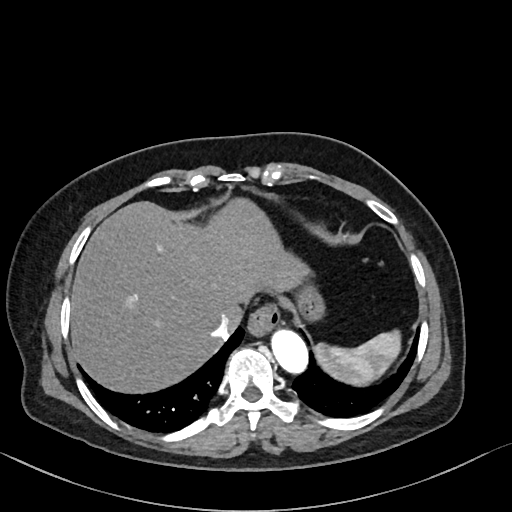
CT, abdomen/pelvis; axial plane, index 189
Boxes are (x1, y1, x2, y2) in pixels.
Organ bounding boxes:
- spleen: (315, 330, 399, 384)
- esophagus: (249, 302, 280, 333)
- liver: (70, 199, 307, 394)
- stomach: (298, 284, 323, 323)
- aorta: (270, 327, 308, 374)
- inferior vena cava: (211, 313, 236, 340)